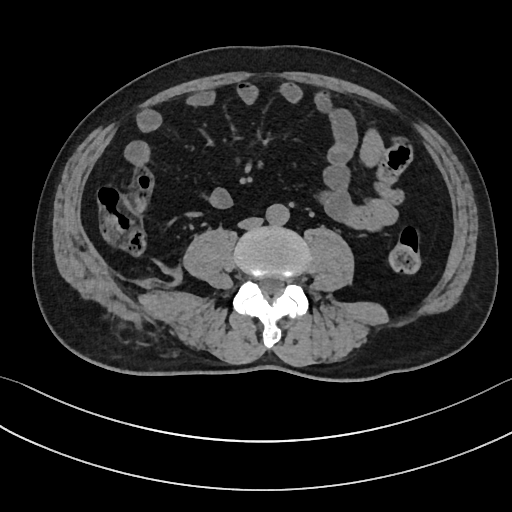
CT, abdomen/pelvis — axial view — 15 organs annotated in this scan (that count is for the whole scan; organs this slice misses have no box)
Bounding boxes in pixels, one row per box: x1, y1 is the top-left corner and x2, y2 the bottom-right.
| organ | x1 | y1 | x2 | y2 |
|---|---|---|---|---|
| aorta | 265 | 204 | 289 | 225 |
| inferior vena cava | 238 | 217 | 263 | 228 |